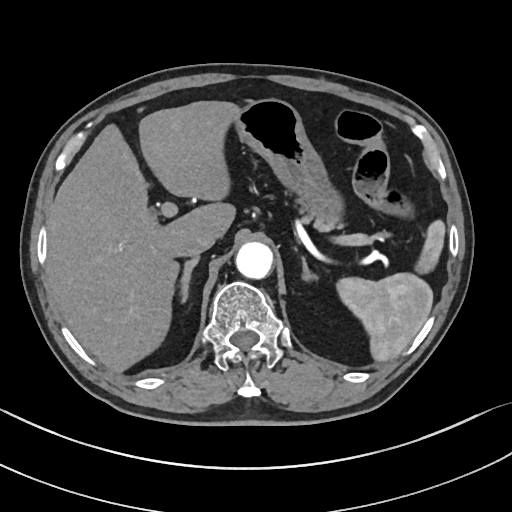
CT abdomen · axial view · abdomen soft-tissue window
Box edges are left/top/right/bottom in pixels.
Organ bounding boxes:
- spleen: left=336, top=219, right=445, bottom=361
- liver: left=46, top=101, right=242, bottom=372
- stomach: left=236, top=99, right=342, bottom=230
- aorta: left=236, top=242, right=273, bottom=279
- inferior vena cava: left=174, top=231, right=214, bottom=257
- pancreas: left=314, top=225, right=317, bottom=227
- right adrenal gland: left=181, top=259, right=199, bottom=300
- left adrenal gland: left=303, top=261, right=311, bottom=280